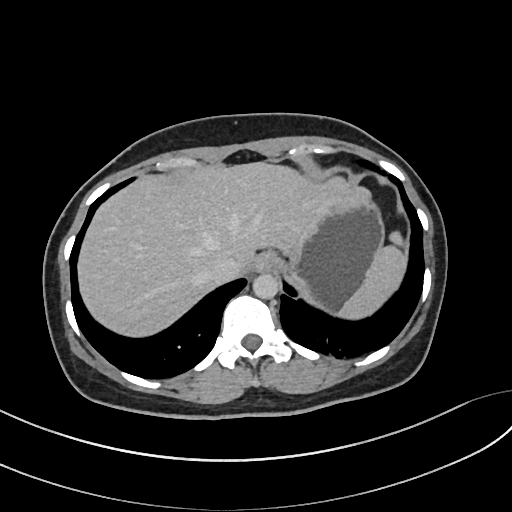

CT, abdomen/pelvis; axial plane, index 191
Box edges are left/top/right/bottom in pixels. Labeled organs on this slice: inferior vena cava at left=205, top=256, right=242, bottom=285, esophagus at left=255, top=250, right=277, bottom=271, stomach at left=270, top=188, right=385, bottom=311, liver at left=76, top=160, right=347, bottom=336, spleen at left=335, top=229, right=405, bottom=318, aorta at left=252, top=273, right=277, bottom=298.